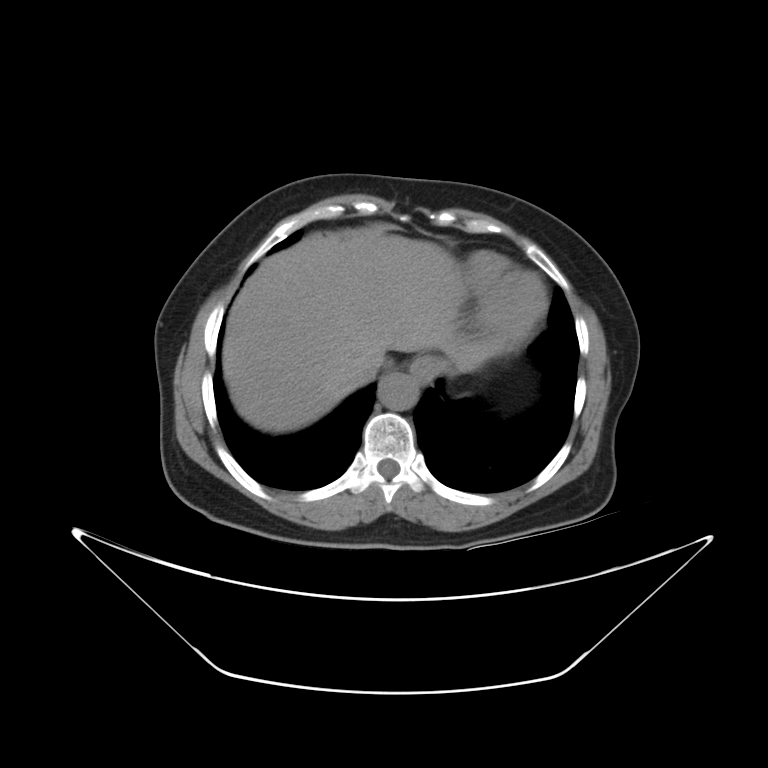 Computed tomography, abdomen · axial view · abdomen soft-tissue window · acquired on Brilliance16
Boxes: x1:y1:x2:y2 in pixels. 4 labeled organs on this slice — liver at 221:235:461:431; stomach at 408:355:446:382; aorta at 377:374:415:411; inferior vena cava at 352:363:379:387.